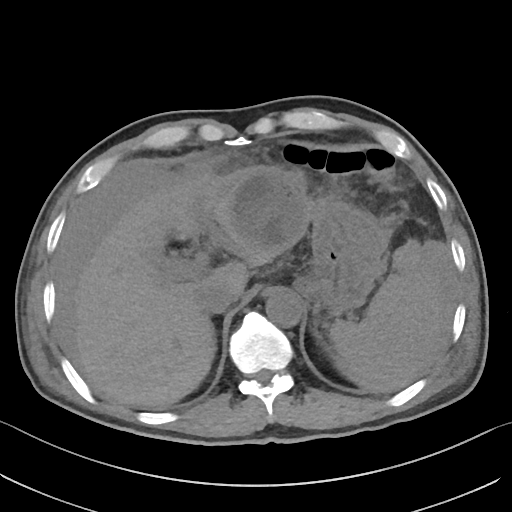
CT, abdomen/pelvis · axial plane, index 76 · W/L 400/40 HU · 15 organs annotated in this scan (counted over the whole 3D scan, not this slice; an organ is boxed only where this slice passes through it)
<organs><organ name="spleen" x1="329" y1="245" x2="441" y2="393"/><organ name="liver" x1="74" y1="165" x2="311" y2="407"/><organ name="stomach" x1="294" y1="194" x2="390" y2="314"/><organ name="aorta" x1="266" y1="293" x2="302" y2="327"/><organ name="inferior vena cava" x1="195" y1="283" x2="237" y2="313"/></organs>